Lower-chest slice from an abdominal CT, just above the liver and spleen — axial view — soft-tissue window, W/L 400/40 — acquired on SOMATOM Force
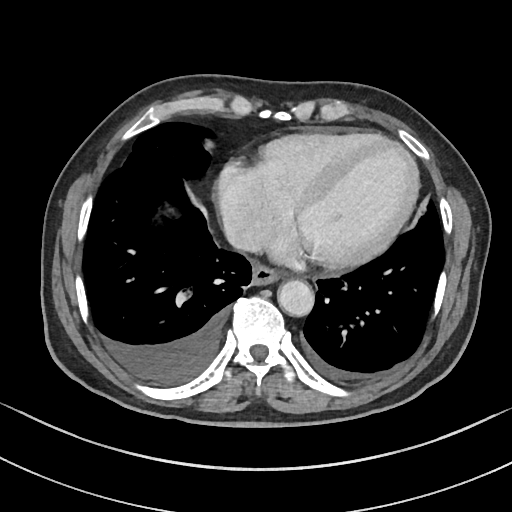

No part of the heart or lungs is labeled in this dataset, so neither has a box here.
Each box given as x1,y1,x2,y2.
esophagus: x1=252, y1=265, x2=278, y2=286
aorta: x1=277, y1=281, x2=314, y2=317
inferior vena cava: x1=224, y1=220, x2=257, y2=249